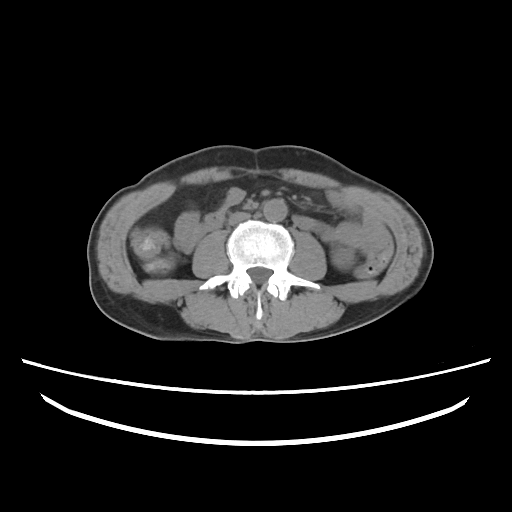

Abdominal CT. axial view. soft-tissue window (W 400 / L 40). 512x512 px. 54-year-old male patient. acquired on Aquilion ONE
Bounding boxes in pixels, one row per box: x1, y1 is the top-left corner and x2, y2 the bottom-right.
| organ | x1 | y1 | x2 | y2 |
|---|---|---|---|---|
| left kidney | 333 | 248 | 355 | 268 |
| aorta | 263 | 199 | 286 | 221 |
| inferior vena cava | 228 | 212 | 250 | 224 |